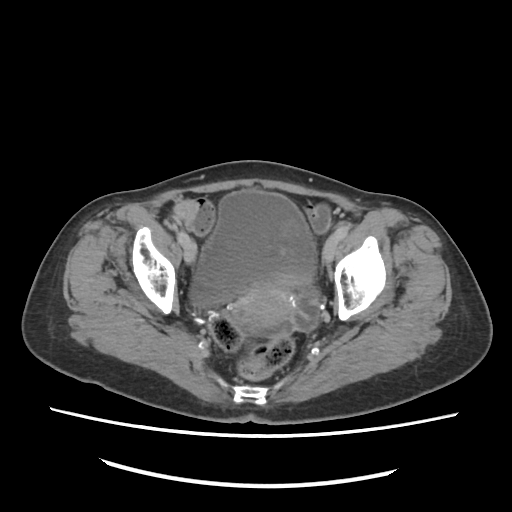

CT abdomen — axial view
<organs><organ name="bladder" x1="191" y1="190" x2="316" y2="308"/><organ name="prostate/uterus" x1="239" y1="284" x2="290" y2="323"/></organs>